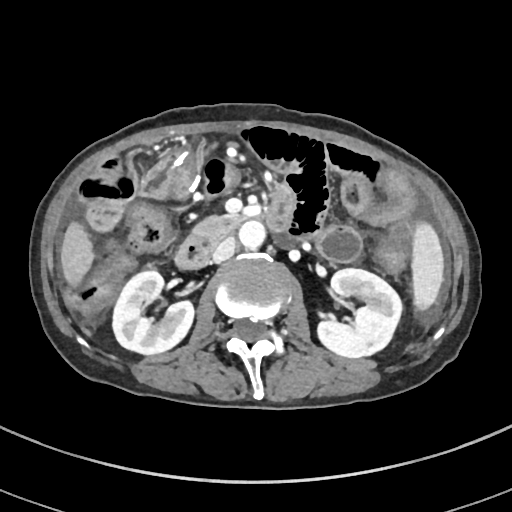
Computed tomography, abdomen; axial view; soft-tissue window (W 400 / L 40); acquired on SOMATOM Force
Boxes: x1:y1:x2:y2 in pixels.
Organ bounding boxes:
- spleen: 411:221:444:310
- right kidney: 112:270:194:354
- left kidney: 317:268:401:358
- liver: 60:221:94:286
- aorta: 238:221:265:249
- inferior vena cava: 211:237:236:262
- pancreas: 192:214:245:243
- duodenum: 174:182:294:269